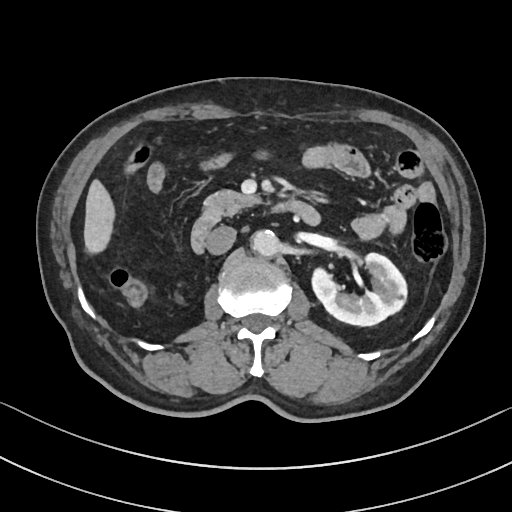 CT, abdomen/pelvis · axial view · 512x512 px · acquired on SOMATOM Force · scan has 14 labeled organs (counted over the whole 3D scan, not this slice; an organ is boxed only where this slice passes through it)
Organ boxes in pixel coordinates; each row gives the top-left (x1, y1) and bottom-right (x2, y2) corners.
| organ | x1 | y1 | x2 | y2 |
|---|---|---|---|---|
| left kidney | 312 | 253 | 407 | 325 |
| liver | 84 | 180 | 114 | 251 |
| aorta | 251 | 229 | 278 | 255 |
| inferior vena cava | 206 | 226 | 235 | 254 |
| pancreas | 205 | 189 | 259 | 217 |
| duodenum | 190 | 200 | 319 | 251 |